CT, abdomen/pelvis; axial view; 15 organs annotated in this scan (a whole-scan count: organs this slice does not pass through have no box)
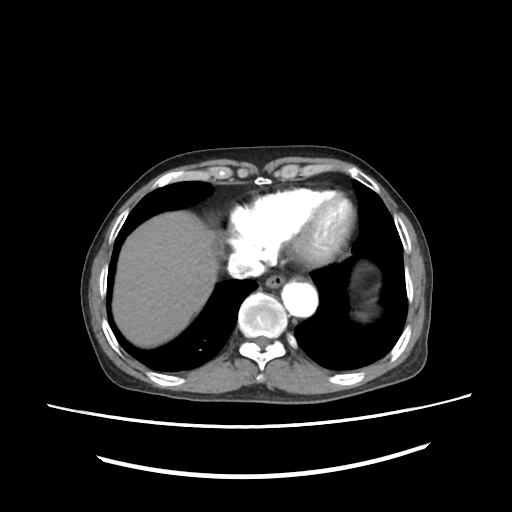 {"organs":{"esophagus":[266,277,282,287],"liver":[115,212,217,344],"aorta":[283,278,317,317],"inferior vena cava":[225,252,262,277]}}